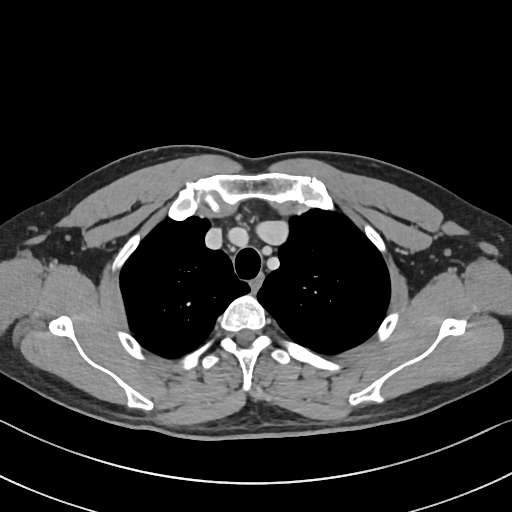
Chest-level CT slice, above the liver and spleen. axial view. soft-tissue window. 512x512 px
On a slice this high in the chest, this dataset labels only the esophagus and the aorta, and each is boxed only where it is labeled; the heart, lungs and other chest structures are not labeled.
{"organs":{"esophagus":[250,274,262,295]}}